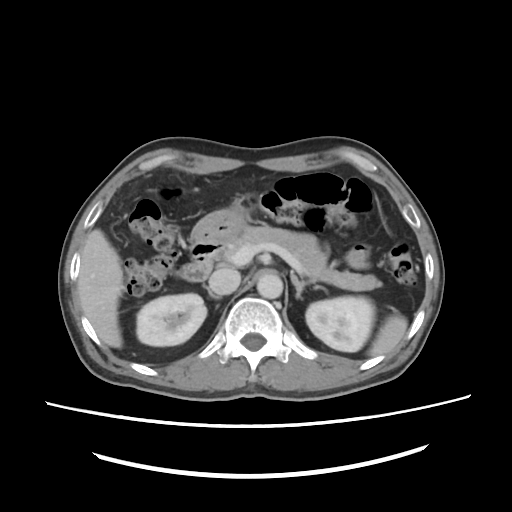

Abdominal CT; axial view
Organ boxes in pixel coordinates; each row gives the top-left (x1, y1) and bottom-right (x2, y2) corners.
| organ | x1 | y1 | x2 | y2 |
|---|---|---|---|---|
| liver | 76 | 228 | 121 | 346 |
| pancreas | 221 | 224 | 383 | 291 |
| aorta | 257 | 272 | 283 | 298 |
| right kidney | 136 | 294 | 208 | 346 |
| left adrenal gland | 290 | 274 | 315 | 298 |
| inferior vena cava | 209 | 269 | 241 | 294 |
| spleen | 370 | 315 | 406 | 356 |
| duodenum | 179 | 242 | 220 | 281 |
| right adrenal gland | 201 | 285 | 221 | 298 |
| left kidney | 305 | 295 | 375 | 352 |
| stomach | 189 | 201 | 252 | 245 |